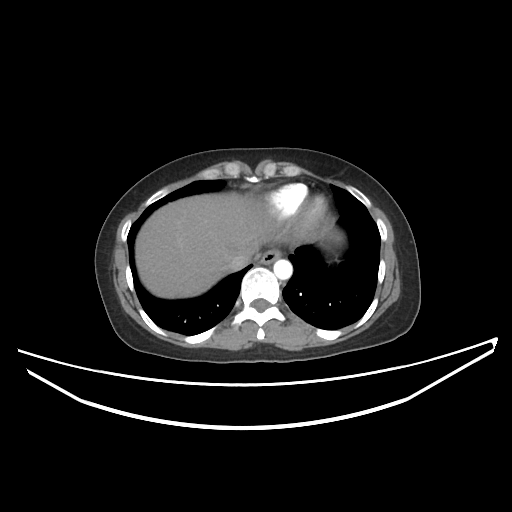 Abdominal CT. axial view. soft-tissue window (W 400 / L 40)
One row per box, in pixels: columns x1 and y1 give the top-left corner, x2 and y2 the bottom-right.
| organ | x1 | y1 | x2 | y2 |
|---|---|---|---|---|
| liver | 135 | 193 | 272 | 298 |
| inferior vena cava | 228 | 252 | 251 | 271 |
| esophagus | 260 | 248 | 281 | 264 |
| aorta | 273 | 259 | 292 | 279 |